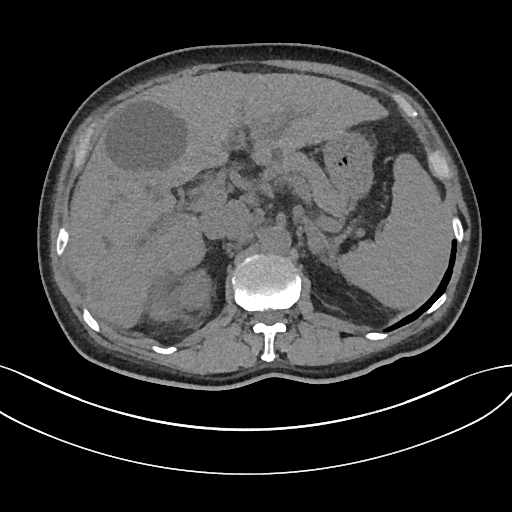

CT, abdomen/pelvis — Axial slice 153/213 — 512x512 px
{"organs":{"spleen":[338,152,451,309],"right kidney":[173,271,207,313],"liver":[66,70,385,327],"stomach":[322,132,372,195],"aorta":[260,227,289,253],"inferior vena cava":[200,202,244,239],"pancreas":[259,150,357,223],"left adrenal gland":[305,220,335,262]}}